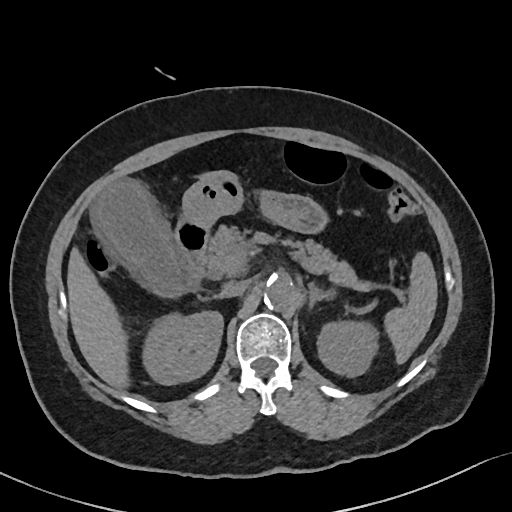
Computed tomography, abdomen. axial view. 512x512 px
<organs><organ name="liver" x1="67" y1="248" x2="129" y2="388"/><organ name="duodenum" x1="176" y1="223" x2="209" y2="291"/><organ name="gall bladder" x1="92" y1="181" x2="188" y2="296"/><organ name="aorta" x1="264" y1="276" x2="294" y2="311"/><organ name="left kidney" x1="317" y1="321" x2="378" y2="376"/><organ name="right kidney" x1="142" y1="311" x2="222" y2="384"/><organ name="stomach" x1="178" y1="170" x2="327" y2="233"/><organ name="pancreas" x1="203" y1="225" x2="359" y2="287"/><organ name="inferior vena cava" x1="220" y1="280" x2="248" y2="297"/><organ name="left adrenal gland" x1="309" y1="282" x2="333" y2="308"/><organ name="spleen" x1="384" y1="252" x2="437" y2="363"/></organs>